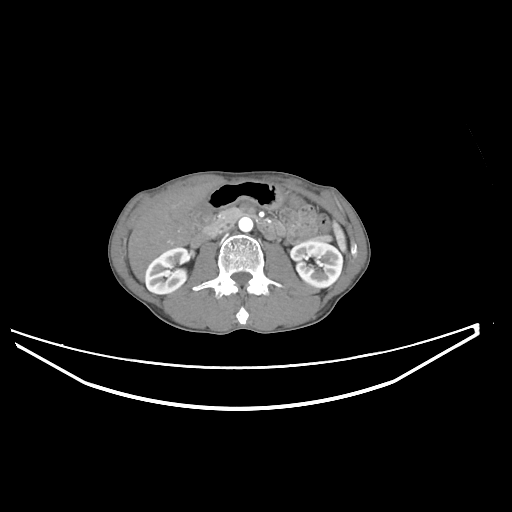
Computed tomography, abdomen — axial view — 512x512 px — acquired on Aquilion ONE
Each box given as x1,y1,x2,y2.
spleen: x1=333, y1=223, x2=346, y2=251
right kidney: x1=145, y1=247, x2=189, y2=294
left kidney: x1=290, y1=242, x2=342, y2=287
liver: x1=128, y1=183, x2=214, y2=280
stomach: x1=196, y1=181, x2=283, y2=216
aorta: x1=238, y1=217, x2=253, y2=231
inferior vena cava: x1=217, y1=226, x2=234, y2=237
pancreas: x1=203, y1=207, x2=331, y2=241
duodenum: x1=190, y1=214, x2=275, y2=247